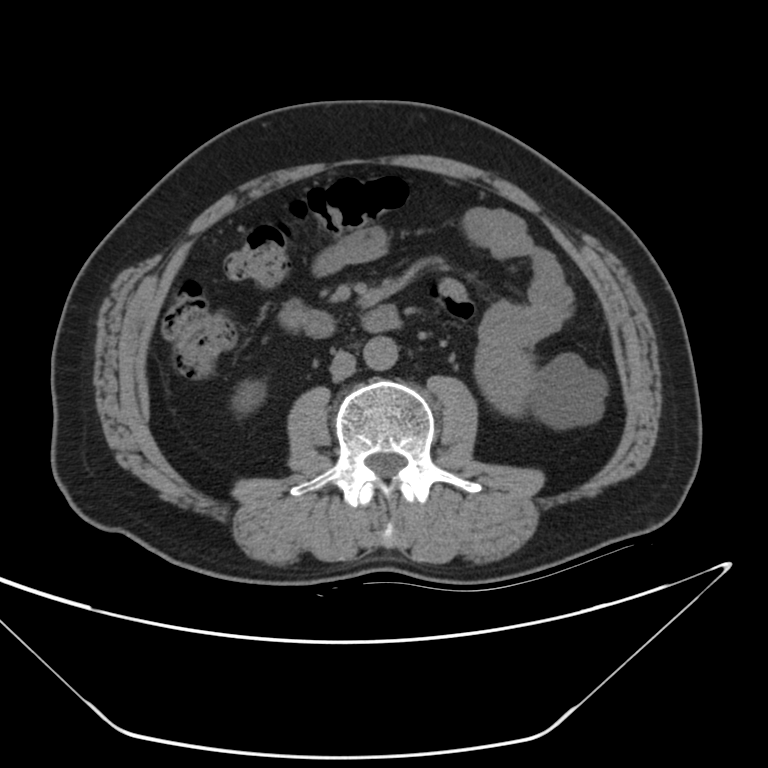 Abdominal CT; Axial slice 56/103; acquired on Brilliance16
<organs><organ name="duodenum" x1="277" y1="303" x2="400" y2="337"/><organ name="aorta" x1="365" y1="336" x2="396" y2="371"/><organ name="left kidney" x1="476" y1="344" x2="606" y2="430"/><organ name="right kidney" x1="236" y1="381" x2="262" y2="409"/><organ name="inferior vena cava" x1="332" y1="352" x2="356" y2="382"/></organs>